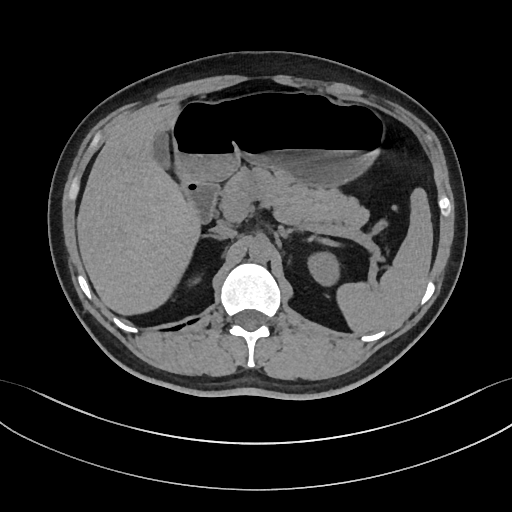

Computed tomography, abdomen — Axial slice 169/225 — soft-tissue window (W 400 / L 40) — 512x512 px
{"organs":{"spleen":[336,187,432,334],"left kidney":[307,251,339,286],"gall bladder":[153,132,170,168],"liver":[76,102,201,315],"stomach":[172,92,385,187],"aorta":[249,238,271,263],"inferior vena cava":[211,224,236,237],"pancreas":[221,167,368,231],"right adrenal gland":[206,235,223,237],"left adrenal gland":[279,227,295,238],"duodenum":[182,180,219,222]}}